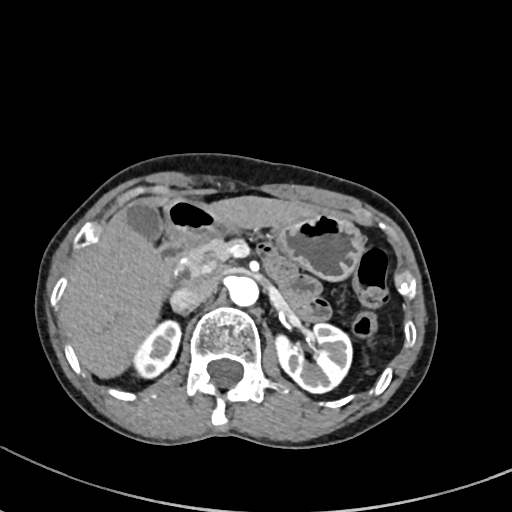 CT abdomen · axial view · abdomen soft-tissue window · 512x512 px
Boxes: x1 y1 x2 y2 (pixel coords, space-separated).
right kidney: 133 320 180 378
left kidney: 275 323 352 393
gall bladder: 127 202 164 241
liver: 62 195 319 378
stomach: 165 199 365 281
aorta: 228 277 258 306
inferior vena cava: 170 277 216 311
pancreas: 183 237 238 280
duodenum: 157 231 193 290